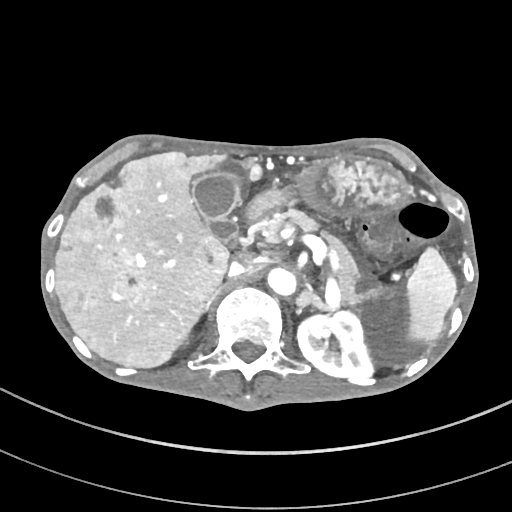
Abdominal CT — axial view — 512x512 px — 15 organs annotated in this scan (that count is for the whole scan; organs this slice misses have no box)
Each box given as x1,y1,x2,y2.
inferior vena cava: x1=228, y1=252, x2=266, y2=276
aorta: x1=266, y1=266, x2=295, y2=295
pancreas: x1=261, y1=208, x2=379, y2=307
right adrenal gland: x1=204, y1=291, x2=219, y2=310
left adrenal gland: x1=293, y1=289, x2=330, y2=311
stomach: x1=263, y1=155, x2=411, y2=216
gall bladder: x1=192, y1=170, x2=244, y2=244
left kidney: x1=297, y1=310, x2=375, y2=380
spleen: x1=405, y1=248, x2=455, y2=342
duodenum: x1=246, y1=194, x2=268, y2=220
liver: x1=56, y1=151, x2=262, y2=367